Chest-level slice from an abdominal CT that extends up into the chest. Axial slice 118/132. soft-tissue window (W 400 / L 40). 512x512 px. acquired on Aquilion ONE. 14 organs annotated in this scan (that count is for the whole scan; organs this slice misses have no box)
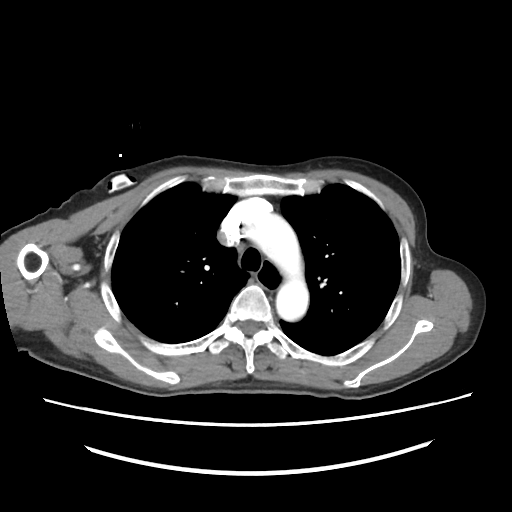 On a slice this high in the chest, this dataset labels only the esophagus and the aorta, and each is boxed only where it is labeled; the heart, lungs and other chest structures are not labeled.
Organ boxes in pixel coordinates; each row gives the top-left (x1, y1) and bottom-right (x2, y2) corners.
| organ | x1 | y1 | x2 | y2 |
|---|---|---|---|---|
| esophagus | 258 | 259 | 283 | 288 |
| aorta | 242 | 212 | 307 | 320 |